Computed tomography, abdomen — axial view — soft-tissue window — scan has 15 labeled organs (that count is for the whole scan; organs this slice misses have no box)
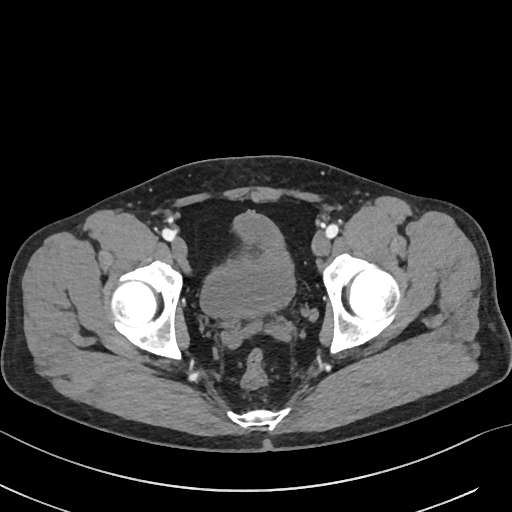

{"organs":{"bladder":[200,213,294,317]}}